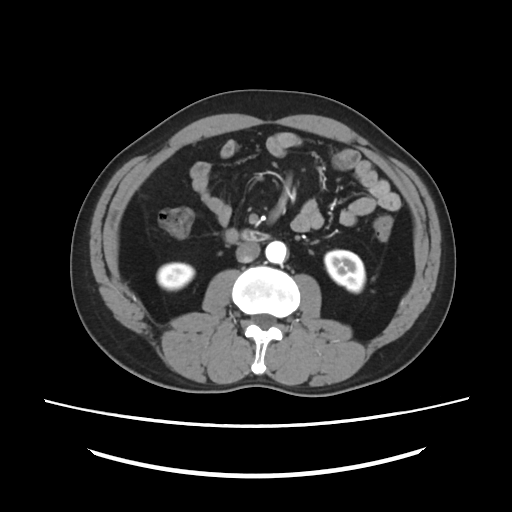

Abdominal CT; Axial slice 63/134; 46-year-old male patient; 15 organs annotated in this scan (counted over the whole 3D scan, not this slice; an organ is boxed only where this slice passes through it)
Coordinates as <box>x1,y1,x2,y2</box> in pixels.
Organ bounding boxes:
- inferior vena cava: <box>235,241,260,262</box>
- right kidney: <box>157,263,194,289</box>
- duodenum: <box>241,229,269,241</box>
- left kidney: <box>325,250,364,291</box>
- aorta: <box>265,240,289,263</box>